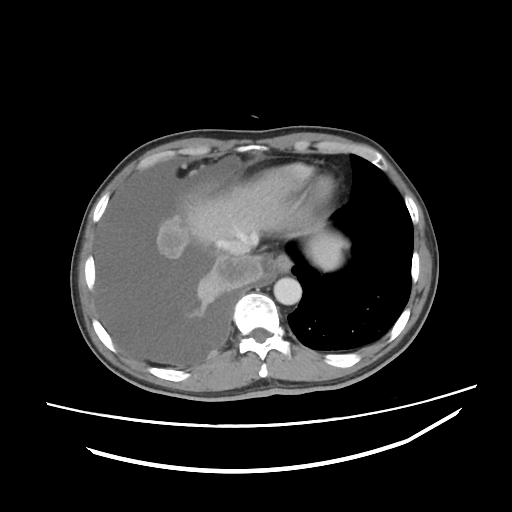 CT, abdomen/pelvis; axial view; W/L 400/40 HU; 49-year-old male patient; Aquilion ONE scanner; scan has 15 labeled organs (a whole-scan count: organs this slice does not pass through have no box)
Each box given as x1,y1,x2,y2. 4 labeled organs on this slice — esophagus at x1=276, y1=254, x2=291, y2=272; inferior vena cava at x1=226, y1=234, x2=258, y2=255; aorta at x1=274, y1=277, x2=301, y2=304; liver at x1=186, y1=177, x2=345, y2=269.